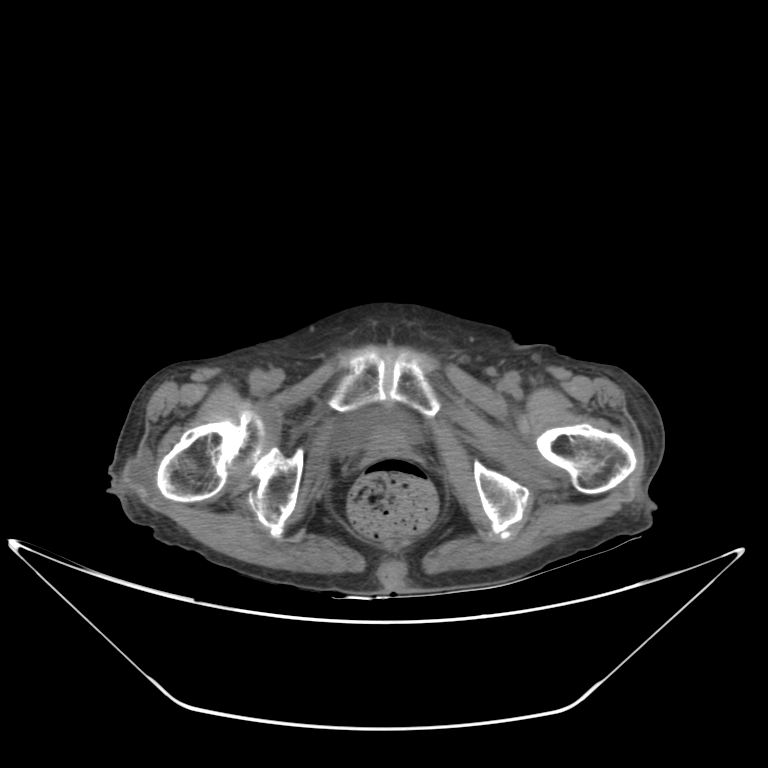 Abdominal CT — axial view — abdomen soft-tissue window — 768x768 px — acquired on Brilliance16 — 15 organs annotated in this scan (a whole-scan count: organs this slice does not pass through have no box)
Bounding boxes as [x1, y1, x2, y2] in pixel coordinates.
bladder: [334, 410, 418, 451]